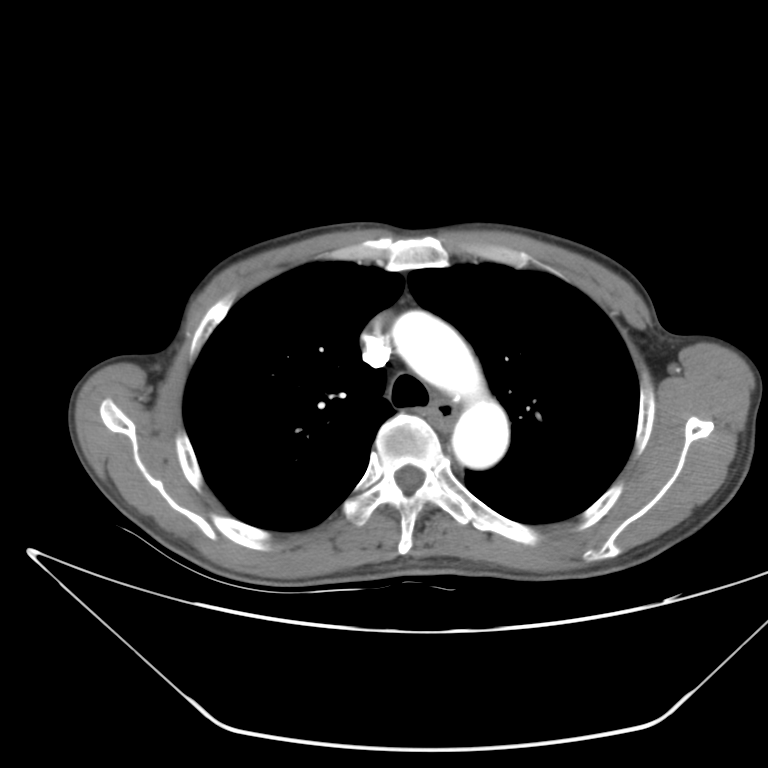

Chest-level CT slice, above the liver and spleen; Axial slice 86/103; 768x768 px
On a slice this high in the chest, this dataset labels only the esophagus and the aorta, and each is boxed only where it is labeled; the heart, lungs and other chest structures are not labeled.
{"organs":{"esophagus":[425,399,455,431],"aorta":[392,311,509,468]}}